Abdominal MR. axial view. percentile-normalized. 576x468 px
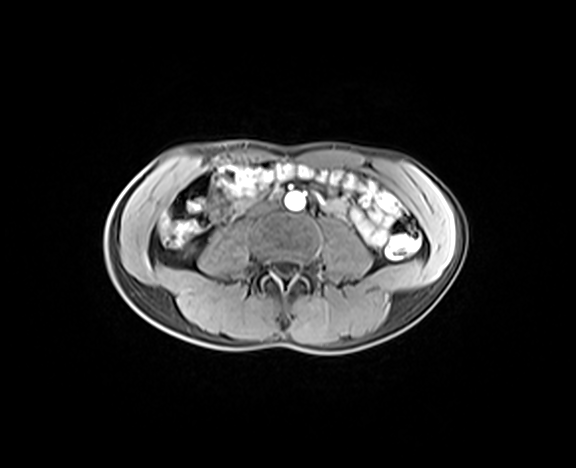
<organs><organ name="liver" x1="160" y1="216" x2="168" y2="230"/><organ name="aorta" x1="285" y1="192" x2="305" y2="210"/><organ name="inferior vena cava" x1="249" y1="200" x2="279" y2="214"/></organs>